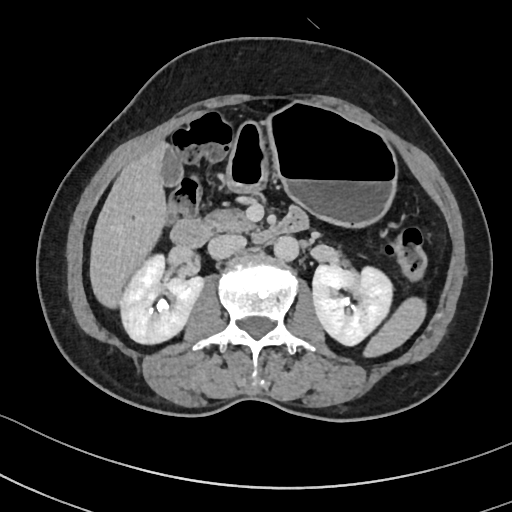
CT abdomen. Axial slice 123/192. 512x512 px. scan has 15 labeled organs (a whole-scan count: organs this slice does not pass through have no box)
Boxes: x1 y1 x2 y2 (pixel coords, space-separated). 10 labeled organs on this slice — inferior vena cava at 208 234 246 259; liver at 89 141 166 307; duodenum at 170 209 307 246; aorta at 273 236 299 261; right kidney at 121 254 206 345; spleen at 360 294 428 359; gall bladder at 158 146 183 186; pancreas at 203 204 255 231; stomach at 225 101 398 227; left kidney at 312 265 392 345.